CT, abdomen/pelvis — Axial slice 104/306 — 512x512 px
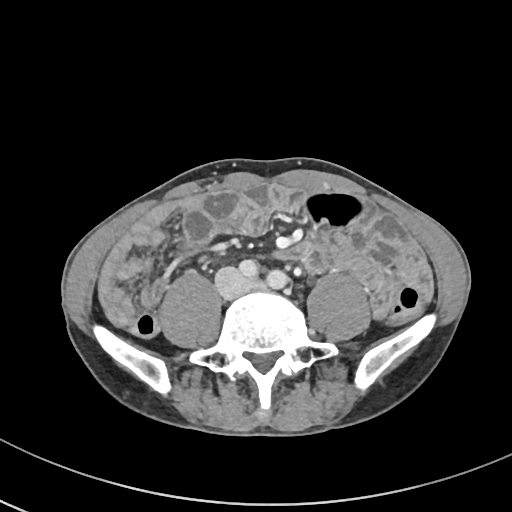 One row per box, in pixels: columns x1 and y1 give the top-left corner, x2 and y2 the bottom-right.
| organ | x1 | y1 | x2 | y2 |
|---|---|---|---|---|
| inferior vena cava | 215 | 267 | 249 | 297 |